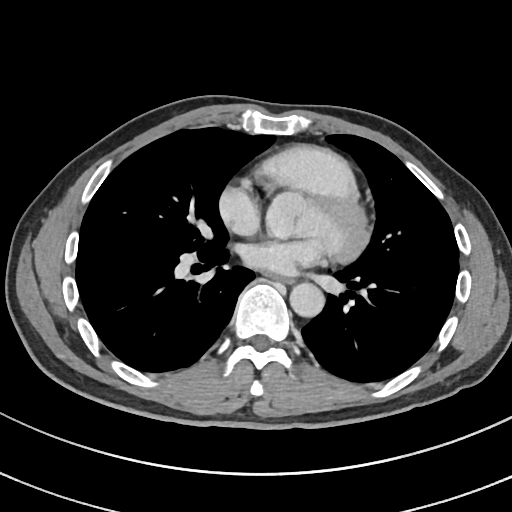

Abdominal CT reaching into the chest; this slice is in the chest; axial view; SOMATOM Force scanner; scan has 15 labeled organs (counted over the whole 3D scan, not this slice; an organ is boxed only where this slice passes through it)
At this level of the chest no structure but the esophagus and the aorta has a label in this dataset, and those two are boxed only where they are labeled.
Organ boxes in pixel coordinates; each row gives the top-left (x1, y1) and bottom-right (x2, y2) corners.
| organ | x1 | y1 | x2 | y2 |
|---|---|---|---|---|
| esophagus | 271 | 275 | 290 | 282 |
| aorta | 289 | 283 | 324 | 317 |